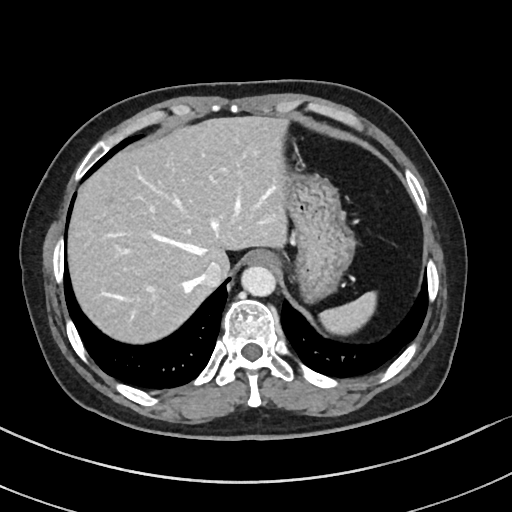

CT abdomen; Axial slice 207/314; 14 organs annotated in this scan (that count is for the whole scan; organs this slice misses have no box)
<organs><organ name="stomach" x1="279" y1="139" x2="356" y2="301"/><organ name="spleen" x1="320" y1="289" x2="375" y2="333"/><organ name="esophagus" x1="250" y1="250" x2="278" y2="266"/><organ name="inferior vena cava" x1="199" y1="261" x2="227" y2="288"/><organ name="liver" x1="66" y1="115" x2="287" y2="342"/><organ name="aorta" x1="240" y1="265" x2="273" y2="295"/></organs>